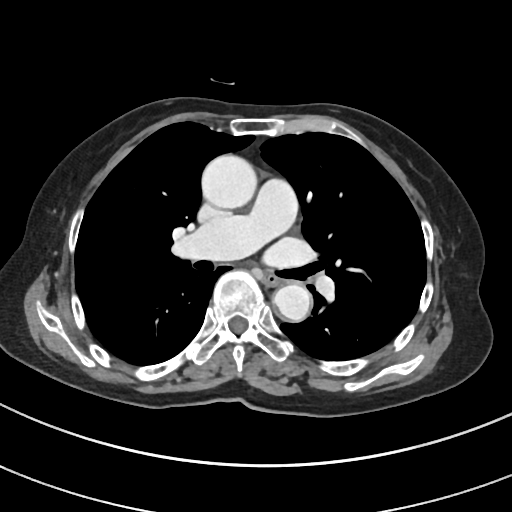

Chest-level CT slice, above the liver and spleen. axial view
At this level of the chest no structure but the esophagus and the aorta has a label in this dataset, and those two are boxed only where they are labeled.
{"organs":{"esophagus":[264,270,284,285],"aorta":[[201,154,256,208],[273,283,311,321]]}}